Abdominal CT · axial view · W/L 400/40 HU · 768x768 px · Brilliance16 scanner
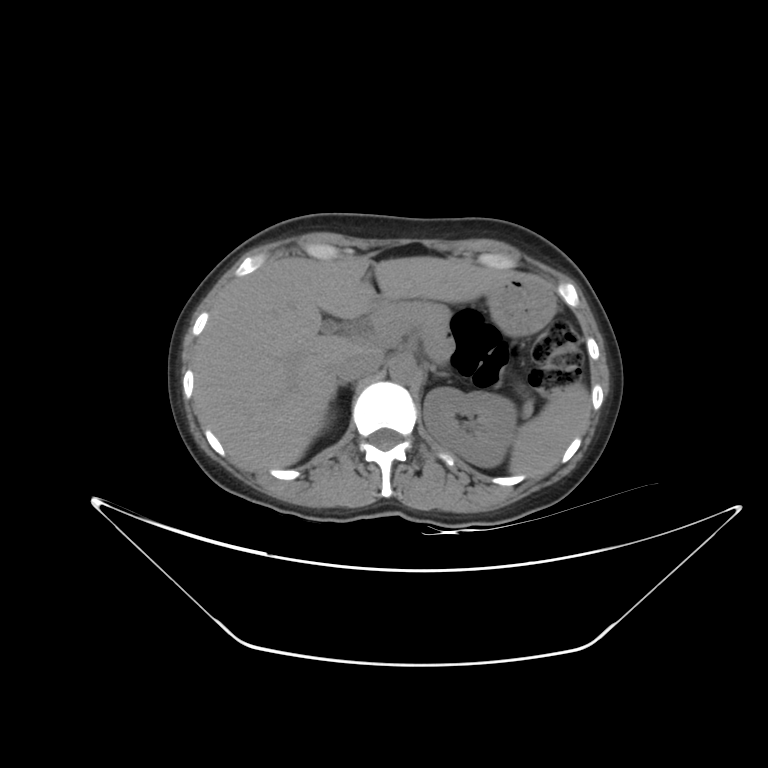

<organs><organ name="spleen" x1="509" y1="384" x2="589" y2="476"/><organ name="left kidney" x1="422" y1="387" x2="515" y2="467"/><organ name="liver" x1="194" y1="256" x2="503" y2="472"/><organ name="stomach" x1="366" y1="273" x2="555" y2="335"/><organ name="aorta" x1="389" y1="358" x2="418" y2="384"/><organ name="inferior vena cava" x1="335" y1="349" x2="384" y2="381"/><organ name="pancreas" x1="370" y1="302" x2="452" y2="363"/><organ name="right adrenal gland" x1="329" y1="380" x2="343" y2="396"/><organ name="left adrenal gland" x1="435" y1="372" x2="445" y2="376"/></organs>